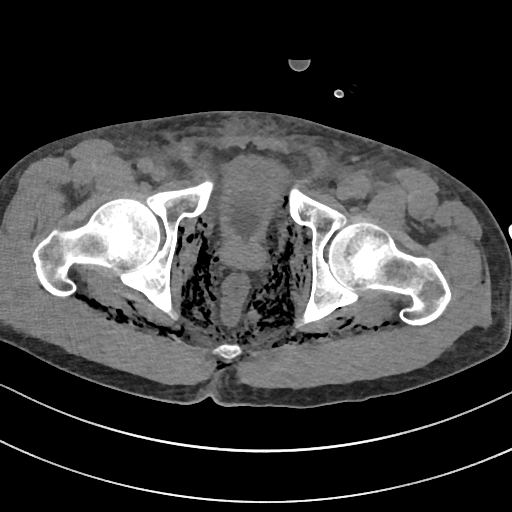 Abdominal CT. axial plane, index 36. abdomen soft-tissue window. 512x512 px
Boxes: x1 y1 x2 y2 (pixel coords, space-separated).
Organ bounding boxes:
- bladder: 221 154 288 239
- prostate/uterus: 222 239 265 269